Computed tomography, abdomen; axial view; abdomen soft-tissue window; 768x768 px; 53-year-old male patient; acquired on Brilliance16
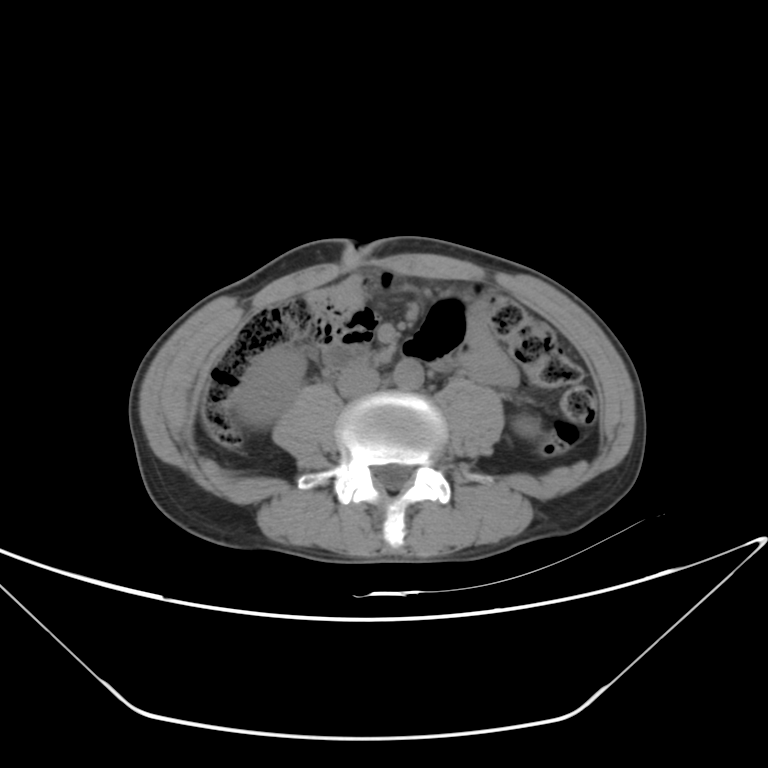 Organ boxes in pixel coordinates; each row gives the top-left (x1, y1) and bottom-right (x2, y2) corners.
| organ | x1 | y1 | x2 | y2 |
|---|---|---|---|---|
| aorta | 392 | 359 | 424 | 390 |
| left kidney | 514 | 416 | 539 | 436 |
| duodenum | 323 | 346 | 368 | 370 |
| right kidney | 234 | 343 | 305 | 428 |
| inferior vena cava | 337 | 366 | 381 | 398 |